Computed tomography, abdomen. axial plane, index 61. abdomen soft-tissue window
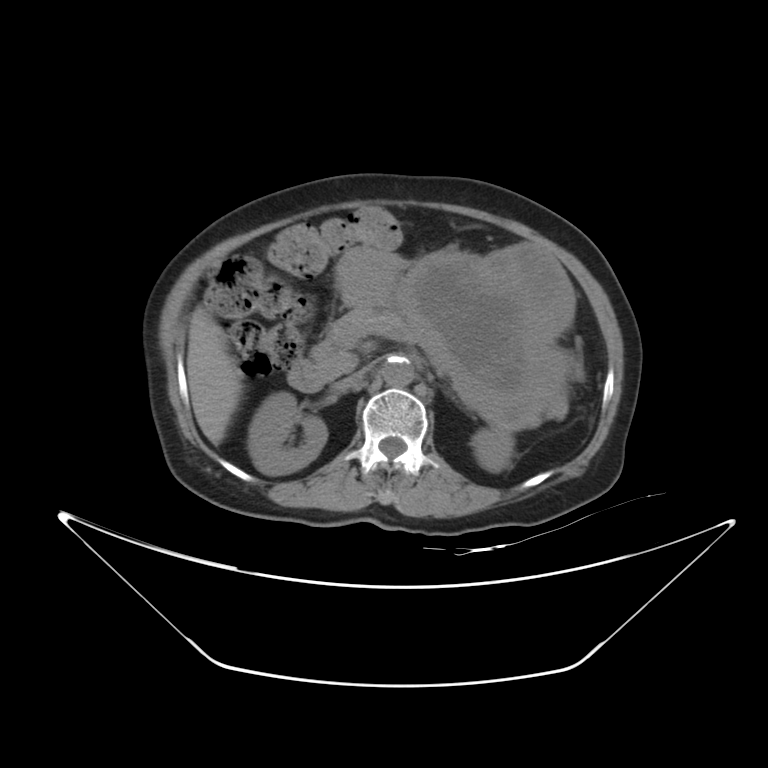
{"organs":{"aorta":[381,357,414,387],"pancreas":[310,308,564,428],"stomach":[339,246,573,416],"duodenum":[287,359,330,393],"liver":[187,309,239,445],"inferior vena cava":[341,366,368,386],"right kidney":[248,391,327,475],"left kidney":[471,428,514,471]}}